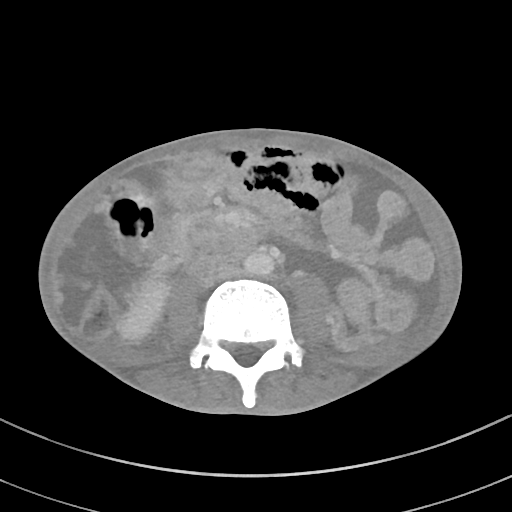
Computed tomography, abdomen; Axial slice 45/92; abdomen soft-tissue window; 512x512 px
<organs><organ name="inferior vena cava" x1="216" y1="264" x2="241" y2="278"/><organ name="aorta" x1="244" y1="252" x2="274" y2="275"/><organ name="duodenum" x1="186" y1="226" x2="257" y2="277"/><organ name="right kidney" x1="120" y1="282" x2="167" y2="338"/><organ name="gall bladder" x1="136" y1="164" x2="163" y2="191"/><organ name="pancreas" x1="191" y1="219" x2="233" y2="251"/></organs>